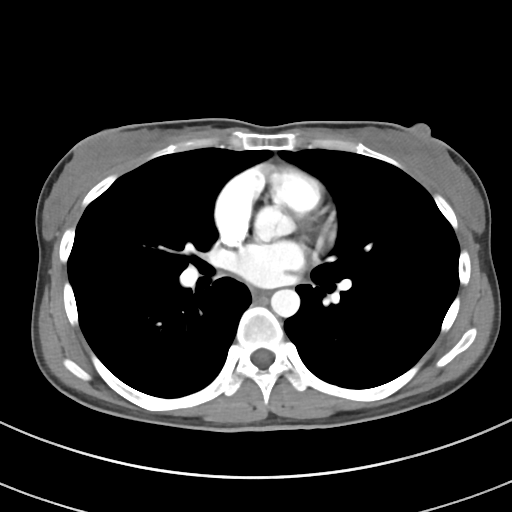

CT of the abdomen extending into the chest, slice through the chest · axial plane, index 90
On a slice this high in the chest, this dataset labels only the esophagus and the aorta, and each is boxed only where it is labeled; the heart, lungs and other chest structures are not labeled.
{"organs":{"esophagus":[252,289,265,298],"aorta":[271,289,299,317]}}